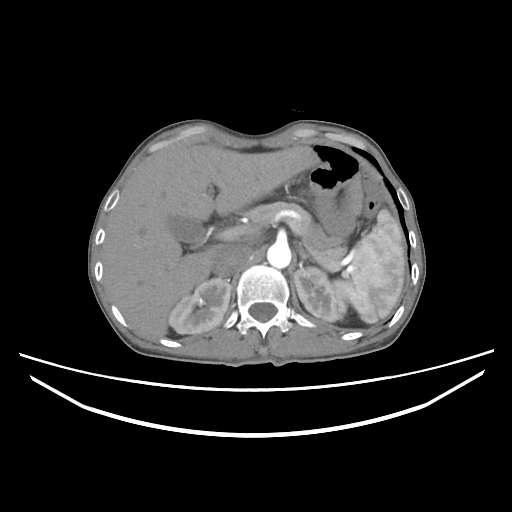 Computed tomography, abdomen; axial plane, index 63; 50-year-old male patient
Bounding boxes as [x1, y1, x2, y2] in pixel coordinates.
spleen: [340, 209, 405, 323]
right kidney: [168, 278, 230, 334]
left kidney: [293, 267, 347, 321]
gall bladder: [165, 215, 206, 244]
liver: [101, 145, 316, 338]
aorta: [267, 242, 291, 268]
inferior vena cava: [213, 244, 250, 276]
pancreas: [245, 201, 346, 270]
left adrenal gland: [298, 245, 314, 266]